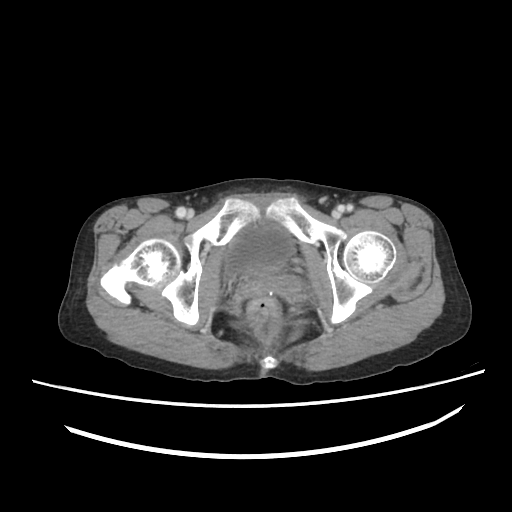

Abdominal CT — axial plane, index 10 — soft-tissue window — 512x512 px — 68-year-old female patient
<organs><organ name="bladder" x1="227" y1="222" x2="292" y2="276"/></organs>